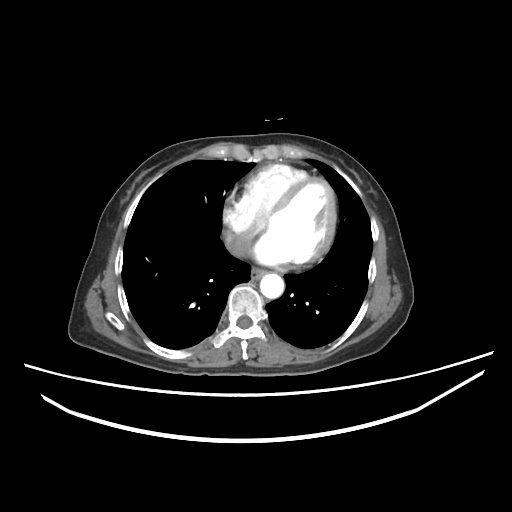 CT of the abdomen reaching into the lower chest, slice just above the liver and spleen. Axial slice 92/122. soft-tissue window. 512x512 px
No part of the heart or lungs is labeled in this dataset, so neither has a box here.
<organs><organ name="esophagus" x1="249" y1="267" x2="266" y2="279"/><organ name="aorta" x1="260" y1="272" x2="283" y2="299"/><organ name="inferior vena cava" x1="223" y1="231" x2="252" y2="257"/></organs>